Computed tomography, abdomen; axial plane, index 18; W/L 400/40 HU; 512x512 px; Aquilion ONE scanner; 15 organs annotated in this scan (counted over the whole 3D scan, not this slice; an organ is boxed only where this slice passes through it)
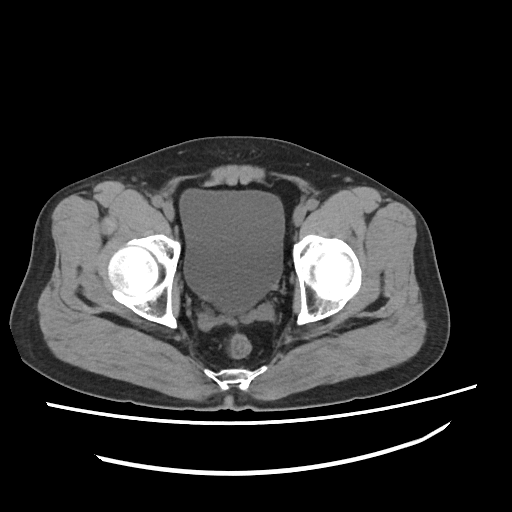

{"organs":{"bladder":[177,188,284,313]}}